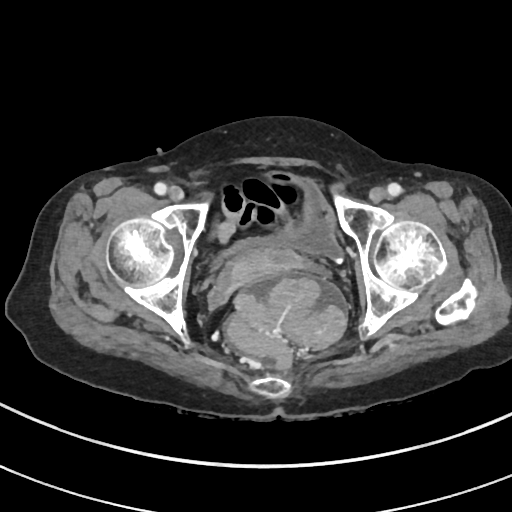 Computed tomography, abdomen · axial view · soft-tissue window · 512x512 px
Boxes are (x1, y1, x2, y2) in pixels. Labeled organs on this slice: prostate/uterus at (220, 244, 298, 343), bladder at (215, 172, 341, 260).